Abdominal CT reaching into the chest; this slice is in the chest — axial view — soft-tissue window, W/L 400/40
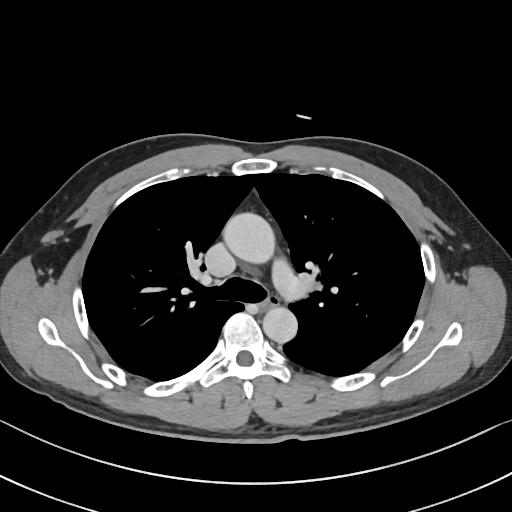
On a slice this high in the chest, this dataset labels only the esophagus and the aorta, and each is boxed only where it is labeled; the heart, lungs and other chest structures are not labeled.
Boxes: x1 y1 x2 y2 (pixel coords, space-separated).
esophagus: 260 294 278 309
aorta: 223 213 274 263
aorta: 262 306 297 343